CT of the abdomen extending into the chest, slice through the chest; axial view; 512x512 px
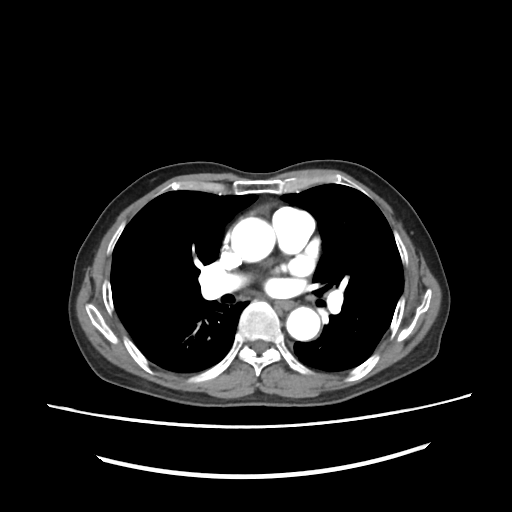

On a slice this high in the chest, this dataset labels only the esophagus and the aorta, and each is boxed only where it is labeled; the heart, lungs and other chest structures are not labeled.
Boxes: x1 y1 x2 y2 (pixel coords, space-separated).
Organ bounding boxes:
- esophagus: 279 301 294 308
- aorta: 230 216 276 260
- aorta: 286 305 322 339